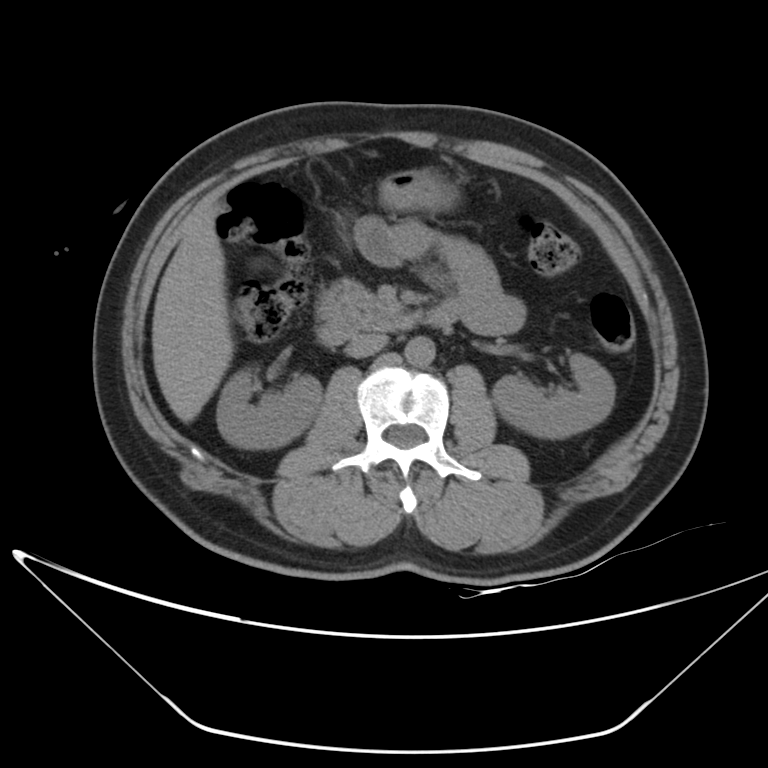
CT abdomen; axial view; 15 organs annotated in this scan (that count is for the whole scan; organs this slice misses have no box)
Each box given as x1,y1,x2,y2.
inferior vena cava: x1=348, y1=334, x2=387, y2=358
stomach: x1=380, y1=172, x2=451, y2=211
pancreas: x1=317, y1=279, x2=405, y2=327
left kidney: x1=492, y1=353, x2=614, y2=438
duodenum: x1=317, y1=305, x2=453, y2=346
aorta: x1=405, y1=337, x2=435, y2=367
right kidney: x1=216, y1=368, x2=321, y2=448
liver: x1=151, y1=205, x2=233, y2=422